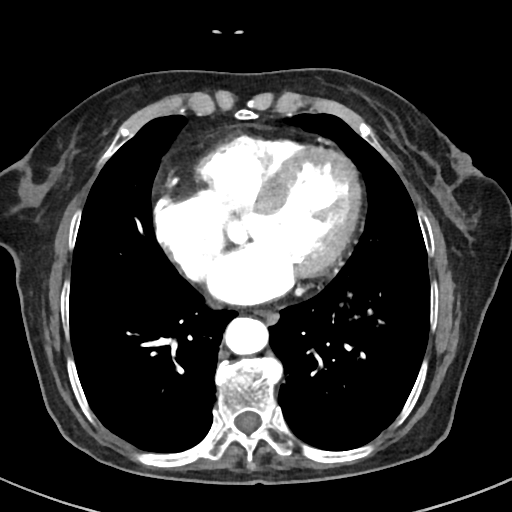
CT of the abdomen reaching into the lower chest, slice just above the liver and spleen · axial view · 512x512 px
No part of the heart or lungs is labeled in this dataset, so neither has a box here.
{"organs":{"aorta":[224,317,268,355],"esophagus":[256,310,279,325]}}